Abdominal CT; axial plane, index 126; 512x512 px
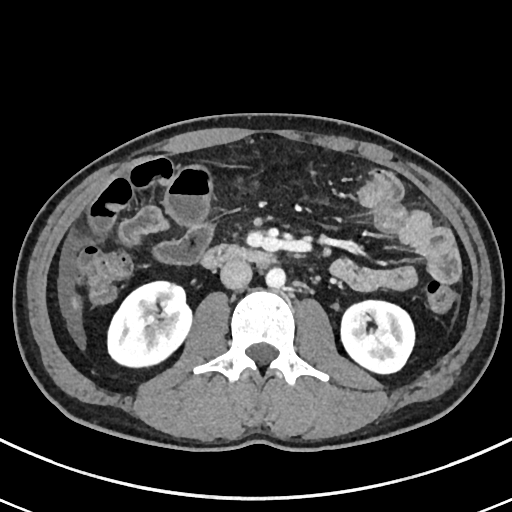
Each box given as x1,y1,x2,y2.
Organ bounding boxes:
- right kidney: x1=107, y1=281, x2=191, y2=367
- left kidney: x1=341, y1=300, x2=415, y2=373
- liver: x1=71, y1=295, x2=81, y2=313
- aorta: x1=266, y1=267, x2=285, y2=288
- inferior vena cava: x1=220, y1=260, x2=252, y2=288
- duodenum: x1=201, y1=245, x2=275, y2=268